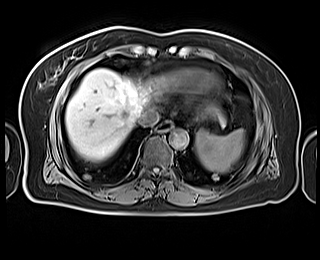 MRI, abdomen; axial view; acquired on Prisma
Boxes are (x1, y1, x2, y2) in pixels.
spleen: (195, 129, 244, 173)
esophagus: (157, 121, 172, 131)
liver: (65, 68, 226, 161)
aorta: (169, 129, 188, 148)
inferior vena cava: (137, 108, 158, 126)